CT abdomen. axial view. 512x512 px. 15 organs annotated in this scan (counted over the whole 3D scan, not this slice; an organ is boxed only where this slice passes through it)
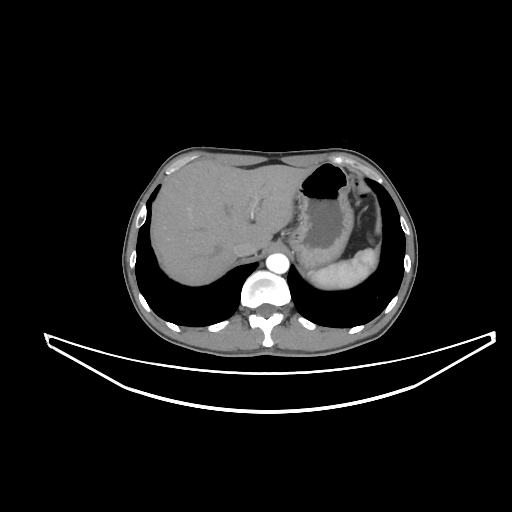
Bounding boxes in pixels, one row per box: x1, y1 is the top-left corner and x2, y2 the bottom-right.
| organ | x1 | y1 | x2 | y2 |
|---|---|---|---|---|
| aorta | 266 | 253 | 289 | 273 |
| stomach | 288 | 162 | 353 | 268 |
| liver | 154 | 160 | 311 | 285 |
| spleen | 308 | 248 | 377 | 289 |
| inferior vena cava | 233 | 241 | 256 | 256 |